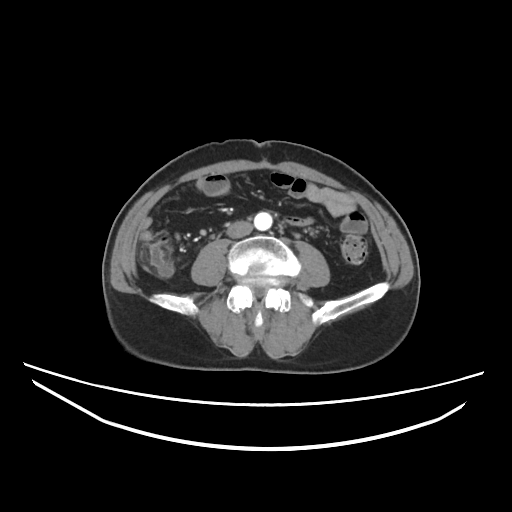
CT abdomen; axial plane, index 43; 58-year-old male patient; scan has 15 labeled organs (a whole-scan count: organs this slice does not pass through have no box)
Coordinates as <box>x1,y1,x2,y2</box> in pixels. The annotated organs in this slice are: aorta at <box>254,211,272,230</box>, inferior vena cava at <box>227,221,252,238</box>.